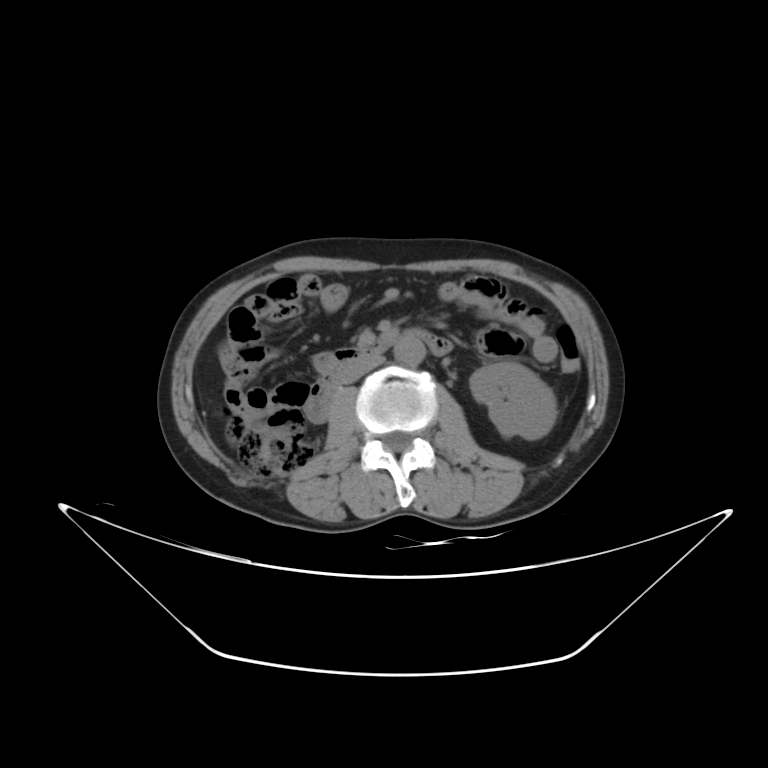
CT abdomen · axial view · 768x768 px · 52-year-old male patient
{"organs":{"left kidney":[470,362,556,439],"inferior vena cava":[341,355,384,383],"duodenum":[308,326,453,421],"aorta":[394,335,425,366]}}